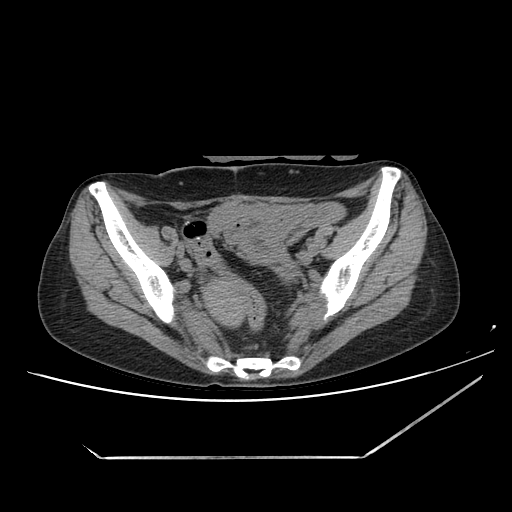

CT abdomen · axial plane, index 33 · scan has 14 labeled organs (counted over the whole 3D scan, not this slice; an organ is boxed only where this slice passes through it)
One row per box, in pixels: columns x1 and y1 give the top-left corner, x2 and y2 the bottom-right.
| organ | x1 | y1 | x2 | y2 |
|---|---|---|---|---|
| prostate/uterus | 202 | 276 | 246 | 327 |